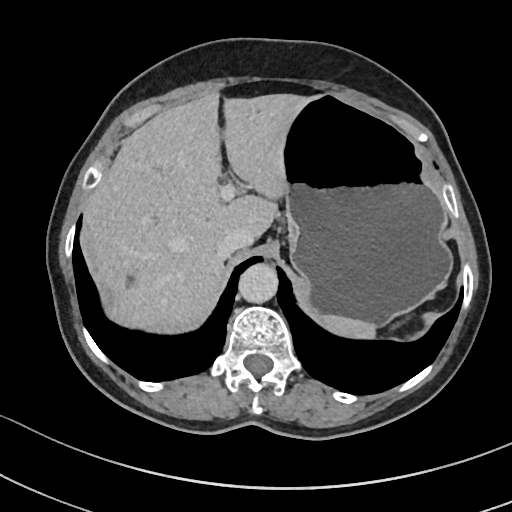

CT abdomen. axial view. abdomen soft-tissue window. 512x512 px
Bounding boxes in pixels, one row per box: x1, y1 is the top-left corner and x2, y2 the bottom-right.
| organ | x1 | y1 | x2 | y2 |
|---|---|---|---|---|
| inferior vena cava | 217 | 226 | 253 | 258 |
| spleen | 319 | 315 | 377 | 340 |
| liver | 81 | 92 | 304 | 334 |
| aorta | 239 | 262 | 279 | 302 |
| stomach | 281 | 95 | 451 | 324 |